Abdominal CT. Axial slice 23/91. soft-tissue window. 512x512 px. acquired on Aquilion ONE. 15 organs annotated in this scan (that count is for the whole scan; organs this slice misses have no box)
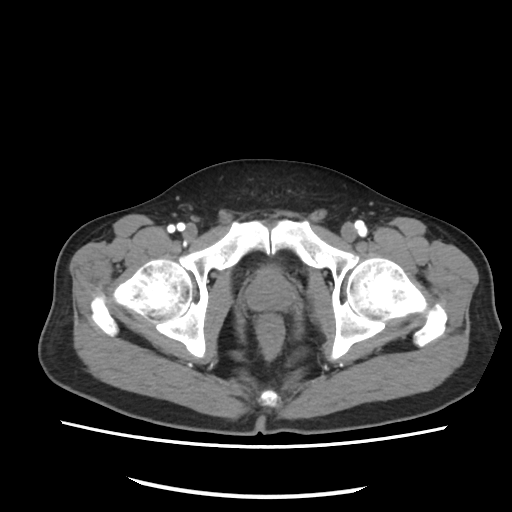 <organs><organ name="prostate/uterus" x1="247" y1="272" x2="294" y2="310"/></organs>